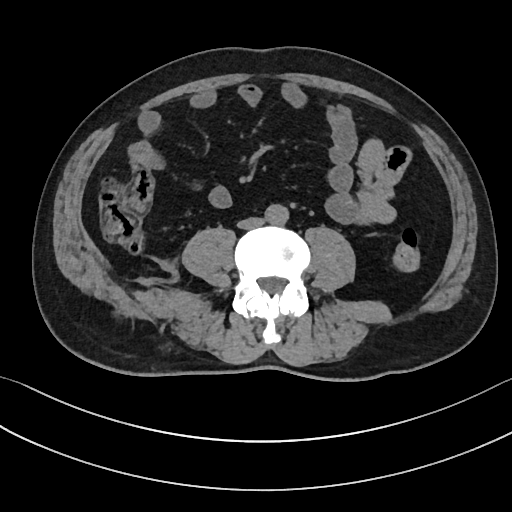

Abdominal CT; axial plane, index 105; soft-tissue window (W 400 / L 40); 512x512 px
<organs><organ name="aorta" x1="265" y1="204" x2="289" y2="225"/><organ name="inferior vena cava" x1="238" y1="217" x2="263" y2="228"/></organs>